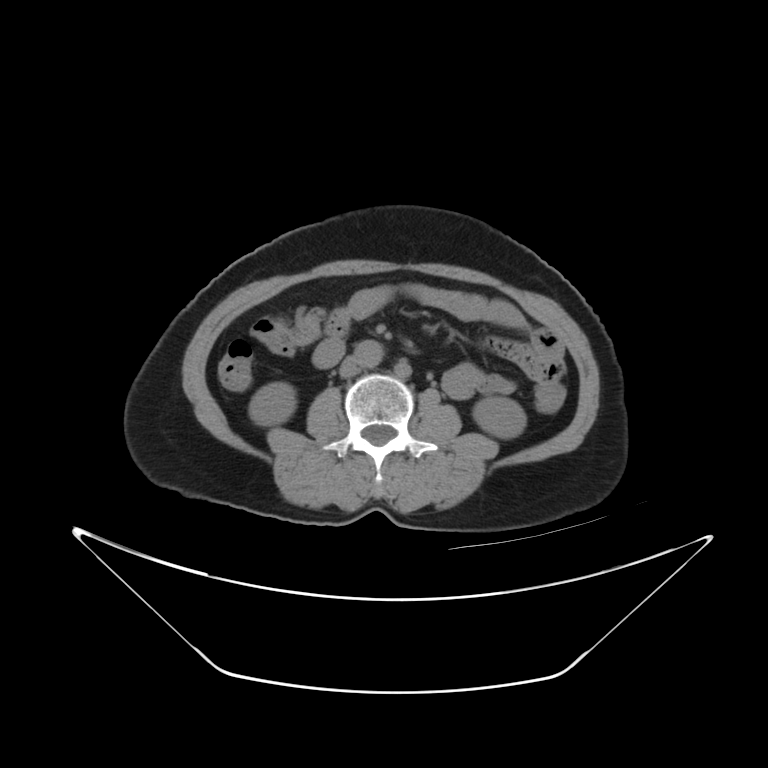
Computed tomography, abdomen — axial view — abdomen soft-tissue window
One row per box, in pixels: columns x1 and y1 give the top-left corner, x2 and y2 the bottom-right.
| organ | x1 | y1 | x2 | y2 |
|---|---|---|---|---|
| right kidney | 247 | 382 | 296 | 423 |
| left kidney | 471 | 395 | 525 | 438 |
| aorta | 356 | 338 | 385 | 367 |
| inferior vena cava | 339 | 357 | 360 | 378 |